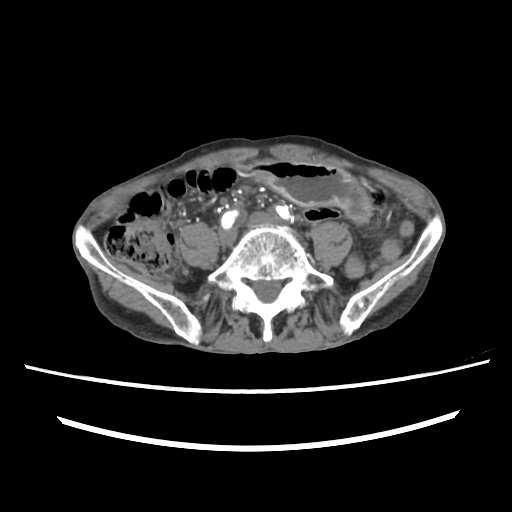

CT, abdomen/pelvis · Axial slice 37/120 · abdomen soft-tissue window · scan has 15 labeled organs (counted over the whole 3D scan, not this slice; an organ is boxed only where this slice passes through it)
Coordinates as <box>x1,y1,x2,y2</box> in pixels.
Organ bounding boxes:
- stomach: <box>243,162,371,221</box>